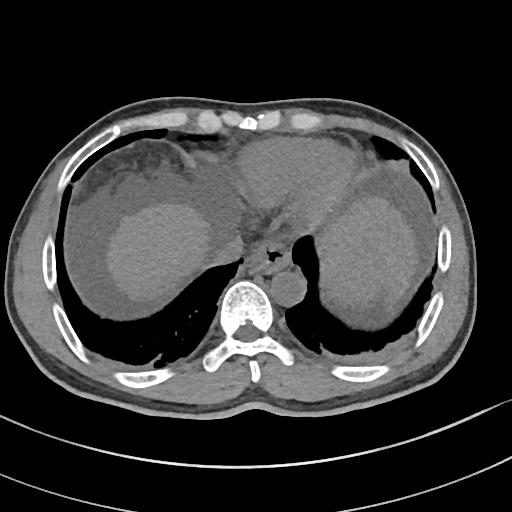 CT abdomen; axial view; W/L 400/40 HU; 512x512 px
Each box given as x1,y1,x2,y2.
Organ bounding boxes:
- inferior vena cava: x1=202, y1=234, x2=245, y2=265
- spleen: x1=325, y1=237, x2=381, y2=300
- liver: x1=108, y1=199, x2=415, y2=309
- aorta: x1=271, y1=270, x2=306, y2=307
- esophagus: x1=245, y1=243, x2=292, y2=274